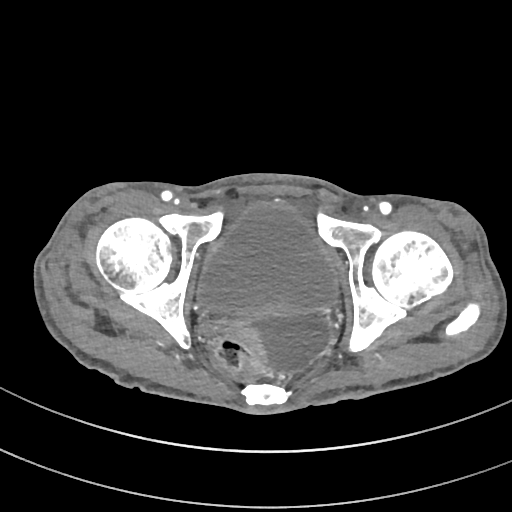
Computed tomography, abdomen · axial plane, index 16 · 512x512 px
Box edges are left/top/right/bottom in pixels. 1 labeled organ on this slice — bladder at left=198, top=202, right=337, bottom=310.